Computed tomography, abdomen; axial view; W/L 400/40 HU
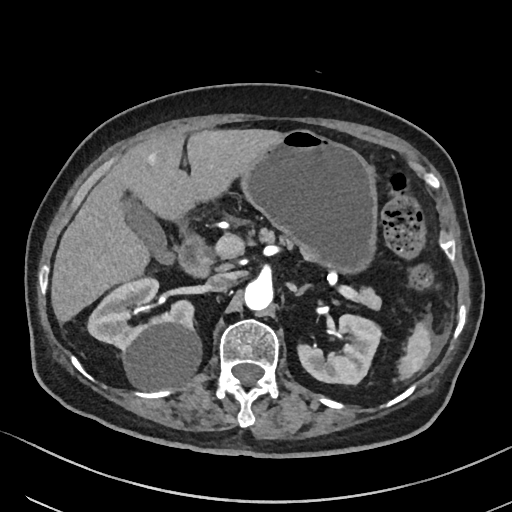
<organs><organ name="spleen" x1="397" y1="322" x2="430" y2="378"/><organ name="right kidney" x1="87" y1="277" x2="201" y2="388"/><organ name="left kidney" x1="297" y1="313" x2="382" y2="384"/><organ name="gall bladder" x1="120" y1="189" x2="171" y2="263"/><organ name="liver" x1="50" y1="129" x2="279" y2="321"/><organ name="stomach" x1="240" y1="128" x2="376" y2="270"/><organ name="aorta" x1="244" y1="279" x2="272" y2="309"/><organ name="inferior vena cava" x1="207" y1="272" x2="236" y2="291"/><organ name="pancreas" x1="248" y1="227" x2="382" y2="310"/><organ name="left adrenal gland" x1="295" y1="284" x2="307" y2="293"/><organ name="duodenum" x1="177" y1="235" x2="211" y2="278"/></organs>